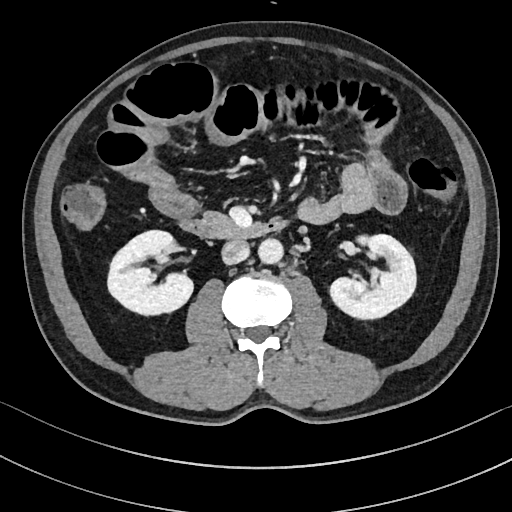 CT, abdomen/pelvis; axial view
<organs><organ name="right kidney" x1="107" y1="230" x2="193" y2="315"/><organ name="left kidney" x1="330" y1="234" x2="416" y2="318"/><organ name="aorta" x1="258" y1="238" x2="283" y2="264"/><organ name="inferior vena cava" x1="221" y1="240" x2="249" y2="264"/><organ name="pancreas" x1="204" y1="212" x2="228" y2="223"/><organ name="duodenum" x1="180" y1="218" x2="287" y2="239"/></organs>